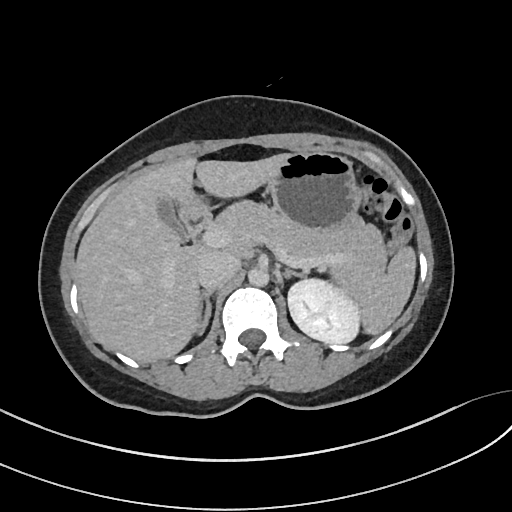

Computed tomography, abdomen · axial plane, index 163 · abdomen soft-tissue window · acquired on SOMATOM Force
<organs><organ name="right adrenal gland" x1="197" y1="289" x2="214" y2="335"/><organ name="stomach" x1="181" y1="151" x2="361" y2="231"/><organ name="duodenum" x1="180" y1="207" x2="210" y2="240"/><organ name="left adrenal gland" x1="283" y1="268" x2="304" y2="278"/><organ name="inferior vena cava" x1="197" y1="251" x2="239" y2="288"/><organ name="pancreas" x1="209" y1="201" x2="387" y2="272"/><organ name="gall bladder" x1="157" y1="197" x2="188" y2="243"/><organ name="left kidney" x1="288" y1="278" x2="360" y2="343"/><organ name="spleen" x1="331" y1="247" x2="416" y2="334"/><organ name="aorta" x1="248" y1="267" x2="269" y2="287"/><organ name="liver" x1="76" y1="154" x2="285" y2="363"/></organs>